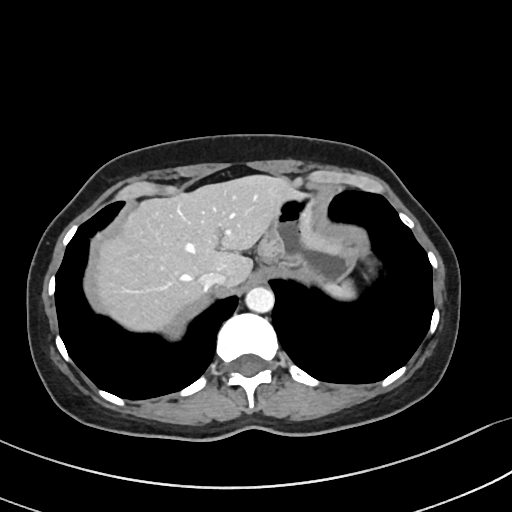
CT, abdomen/pelvis; Axial slice 159/175; 512x512 px
<organs><organ name="liver" x1="97" y1="175" x2="294" y2="331"/><organ name="stomach" x1="258" y1="192" x2="360" y2="284"/><organ name="inferior vena cava" x1="199" y1="274" x2="224" y2="290"/><organ name="spleen" x1="323" y1="280" x2="355" y2="299"/><organ name="aorta" x1="245" y1="286" x2="274" y2="312"/></organs>